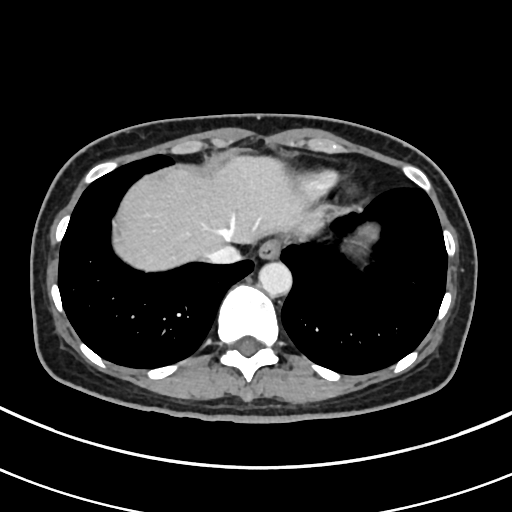
Abdominal CT — Axial slice 179/192 — 15 organs annotated in this scan (a whole-scan count: organs this slice does not pass through have no box)
Boxes are (x1, y1, x2, y2) in pixels.
Organ bounding boxes:
- esophagus: (258, 239, 282, 259)
- liver: (114, 155, 318, 270)
- stomach: (360, 226, 374, 238)
- aorta: (259, 261, 292, 296)
- inferior vena cava: (205, 244, 240, 264)